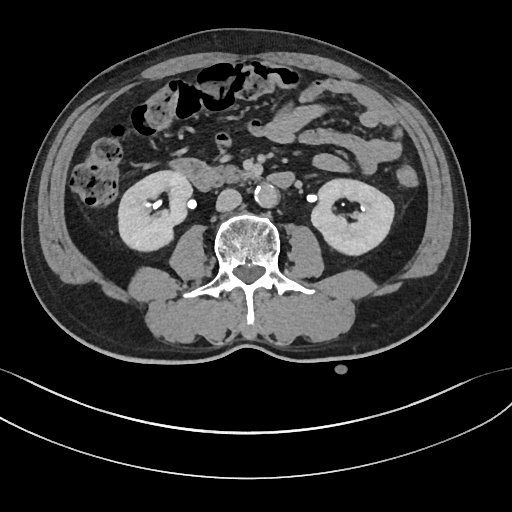

CT abdomen — Axial slice 133/224 — 512x512 px — acquired on SOMATOM Force
{"organs":{"right kidney":[118,172,192,250],"left kidney":[311,180,394,256],"aorta":[255,184,278,208],"inferior vena cava":[216,188,241,212],"pancreas":[215,164,259,182],"duodenum":[167,158,296,189]}}